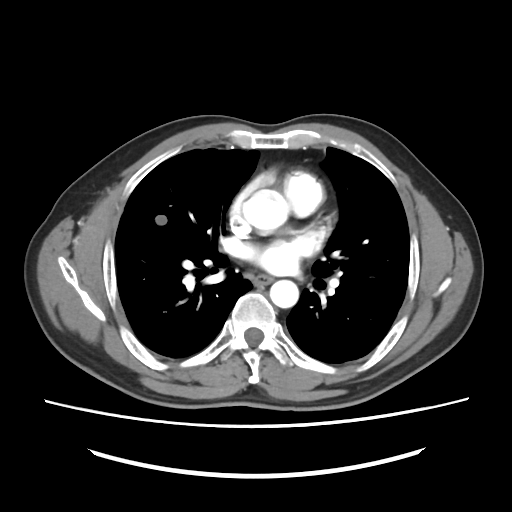 Chest-level CT slice, above the liver and spleen — axial view — soft-tissue window (W 400 / L 40) — 512x512 px — 46-year-old male patient
On a slice this high in the chest, this dataset labels only the esophagus and the aorta, and each is boxed only where it is labeled; the heart, lungs and other chest structures are not labeled.
Boxes are (x1, y1, x2, y2) in pixels.
Organ bounding boxes:
- esophagus: (255, 275, 271, 284)
- aorta: (243, 189, 287, 235)
- aorta: (270, 280, 298, 308)